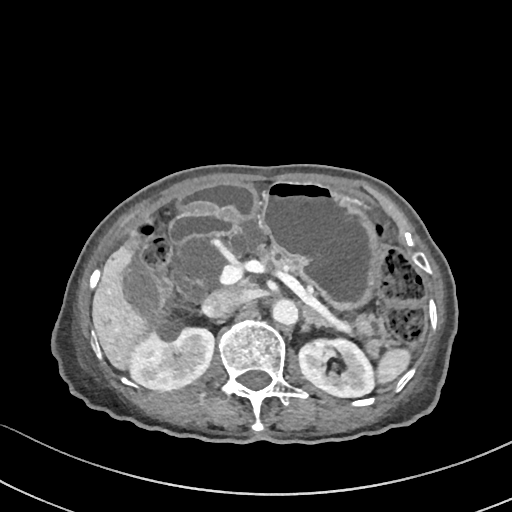

CT, abdomen/pelvis. axial plane, index 172. W/L 400/40 HU. 512x512 px
One row per box, in pixels: columns x1 and y1 give the top-left corner, x2 and y2 the bottom-right.
| organ | x1 | y1 | x2 | y2 |
|---|---|---|---|---|
| spleen | 376 | 350 | 411 | 383 |
| right kidney | 125 | 322 | 213 | 390 |
| left kidney | 299 | 336 | 375 | 397 |
| gall bladder | 122 | 270 | 166 | 312 |
| liver | 92 | 247 | 145 | 368 |
| stomach | 179 | 182 | 381 | 309 |
| aorta | 270 | 298 | 297 | 325 |
| inferior vena cava | 201 | 287 | 249 | 318 |
| pancreas | 229 | 219 | 390 | 351 |
| duodenum | 168 | 211 | 237 | 242 |